CT of the abdomen extending into the chest, slice through the chest. axial plane, index 113. soft-tissue window
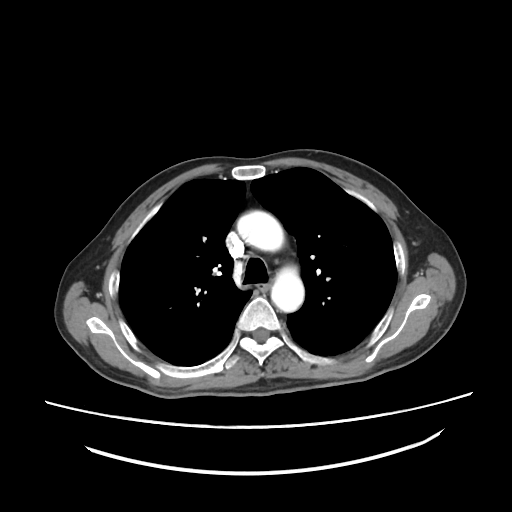 At this level of the chest no structure but the esophagus and the aorta has a label in this dataset, and those two are boxed only where they are labeled. Boxes: x1:y1:x2:y2 in pixels. Labeled organs on this slice: esophagus at 257:283:269:291, aorta at 237:210:284:251, aorta at 271:266:304:312.